CT, abdomen/pelvis · Axial slice 98/192 · 512x512 px
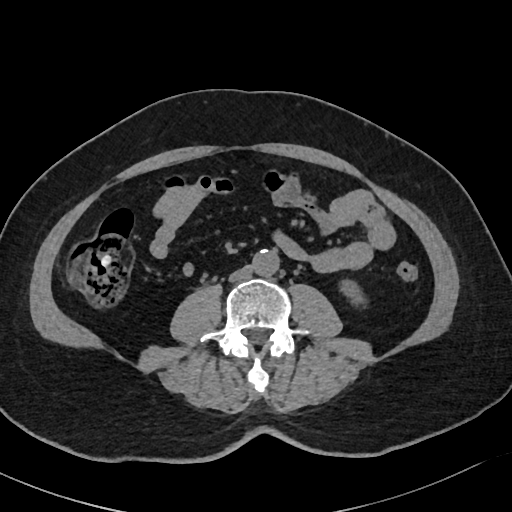 {"organs":{"aorta":[251,249,278,275],"inferior vena cava":[228,266,252,282],"left kidney":[339,280,361,301]}}